Abdominal CT; this slice is in the lower chest, just above the liver; axial view; soft-tissue window (W 400 / L 40); acquired on Aquilion ONE
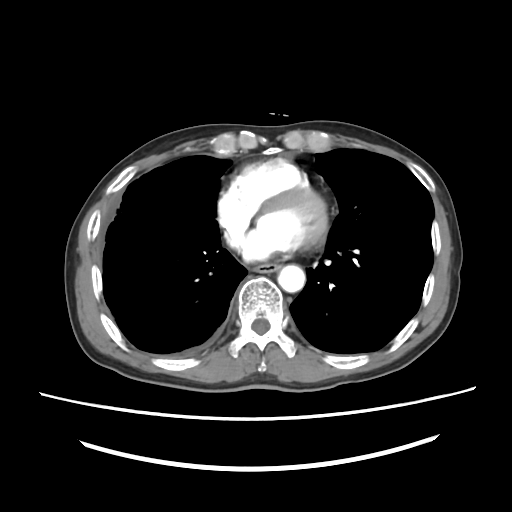

The heart and lungs are never labeled in this dataset, so they have no box on this slice.
One row per box, in pixels: columns x1 and y1 give the top-left corner, x2 and y2 the bottom-right.
| organ | x1 | y1 | x2 | y2 |
|---|---|---|---|---|
| esophagus | 254 | 263 | 279 | 272 |
| aorta | 277 | 265 | 305 | 292 |
| inferior vena cava | 223 | 228 | 243 | 251 |